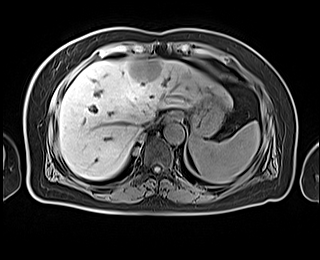

Abdominal MRI. axial view. 320x260 px. scan has 13 labeled organs (a whole-scan count: organs this slice does not pass through have no box)
Boxes: x1 y1 x2 y2 (pixel coords, space-separated).
Organ bounding boxes:
- esophagus: 164 112 182 121
- stomach: 182 93 225 137
- liver: 58 57 232 179
- spleen: 189 121 259 183
- aorta: 163 123 184 143
- inferior vena cava: 138 118 153 130